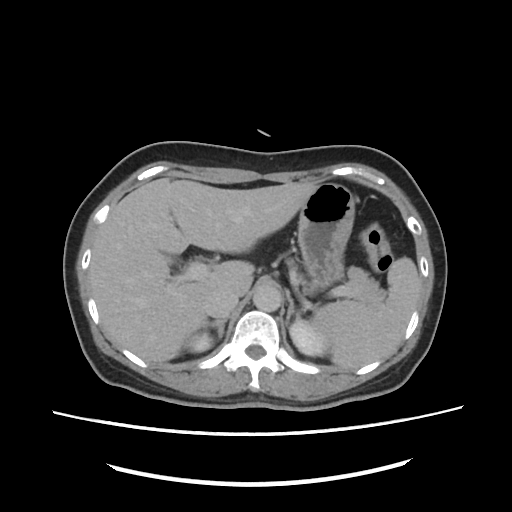
CT abdomen — axial view — soft-tissue window (W 400 / L 40) — scan has 15 labeled organs (counted over the whole 3D scan, not this slice; an organ is boxed only where this slice passes through it)
<organs><organ name="aorta" x1="253" y1="284" x2="281" y2="312"/><organ name="pancreas" x1="287" y1="259" x2="380" y2="303"/><organ name="left adrenal gland" x1="285" y1="290" x2="300" y2="327"/><organ name="left kidney" x1="289" y1="321" x2="323" y2="356"/><organ name="inferior vena cava" x1="205" y1="288" x2="240" y2="320"/><organ name="liver" x1="90" y1="179" x2="317" y2="364"/><organ name="stomach" x1="297" y1="183" x2="355" y2="289"/><organ name="spleen" x1="306" y1="257" x2="418" y2="370"/><organ name="right kidney" x1="184" y1="332" x2="211" y2="352"/><organ name="right adrenal gland" x1="202" y1="321" x2="225" y2="340"/></organs>